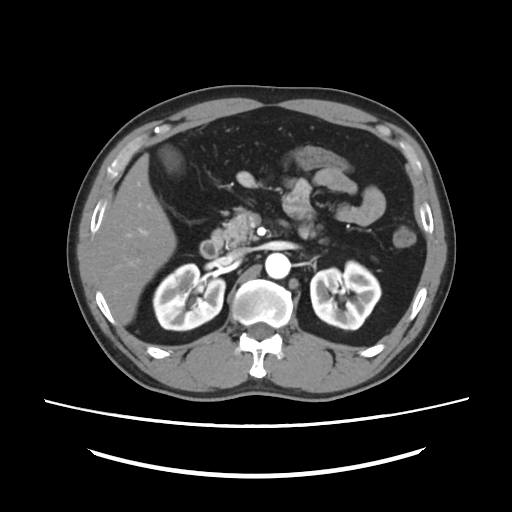 Computed tomography, abdomen · Axial slice 75/134 · abdomen soft-tissue window · 15 organs annotated in this scan (that count is for the whole scan; organs this slice misses have no box)
Coordinates as <box>x1,y1,x2,y2</box> in pixels.
Organ bounding boxes:
- right kidney: <box>153,264,225,330</box>
- left kidney: <box>310,261,380,329</box>
- gall bladder: <box>159,145,182,172</box>
- liver: <box>95,153,176,324</box>
- aorta: <box>265,253,290,279</box>
- inferior vena cava: <box>228,247,248,259</box>
- pancreas: <box>211,208,308,247</box>
- duodenum: <box>199,240,220,258</box>